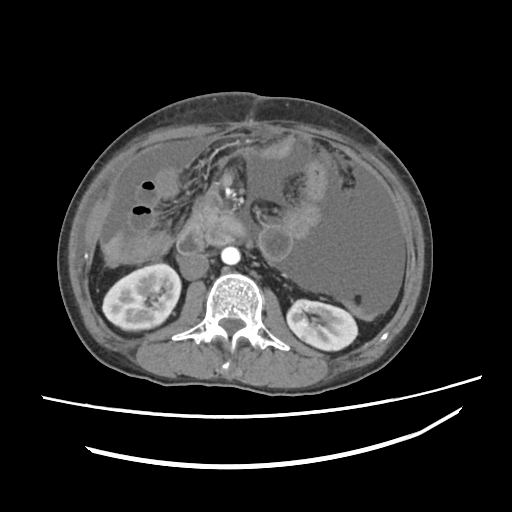
Abdominal CT. Axial slice 65/103
<organs><organ name="right kidney" x1="101" y1="263" x2="181" y2="329"/><organ name="left kidney" x1="287" y1="301" x2="358" y2="352"/><organ name="liver" x1="105" y1="234" x2="124" y2="263"/><organ name="aorta" x1="220" y1="246" x2="240" y2="264"/><organ name="inferior vena cava" x1="179" y1="254" x2="210" y2="279"/><organ name="pancreas" x1="193" y1="192" x2="219" y2="218"/><organ name="duodenum" x1="178" y1="211" x2="245" y2="253"/></organs>